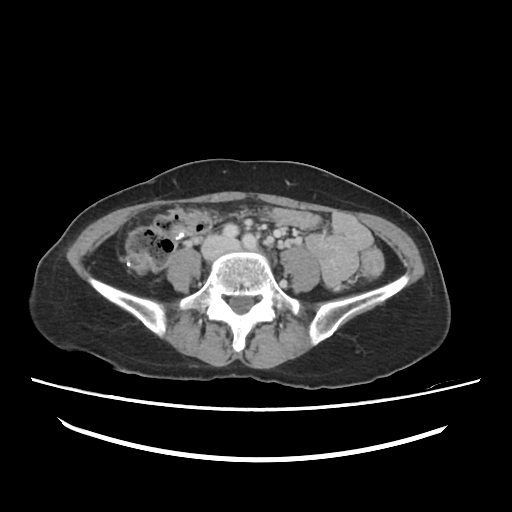

Abdominal CT — axial view — soft-tissue window (W 400 / L 40) — 512x512 px — 54-year-old female patient
Coordinates as <box>x1,y1,x2,y2</box> in pixels.
inferior vena cava: <box>201,234,235,259</box>